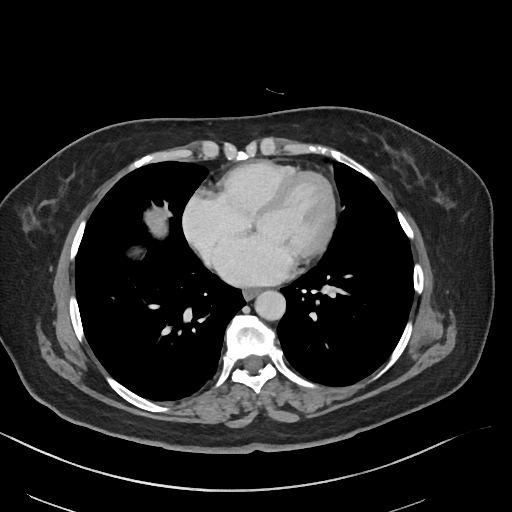
Abdominal CT; axial view; 512x512 px; SOMATOM Force scanner
{"organs":{"esophagus":[244,287,260,298],"aorta":[254,290,285,320],"liver":[145,208,166,235]}}